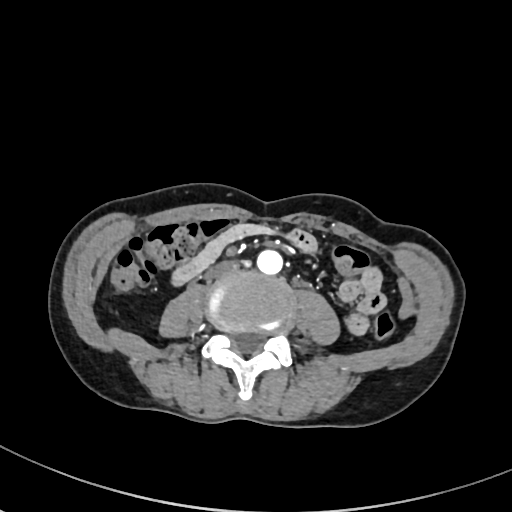

Abdominal CT. axial view. soft-tissue window
One row per box, in pixels: columns x1 and y1 give the top-left corner, x2 and y2 the bottom-right.
| organ | x1 | y1 | x2 | y2 |
|---|---|---|---|---|
| inferior vena cava | 206 | 260 | 239 | 280 |
| aorta | 256 | 249 | 282 | 274 |